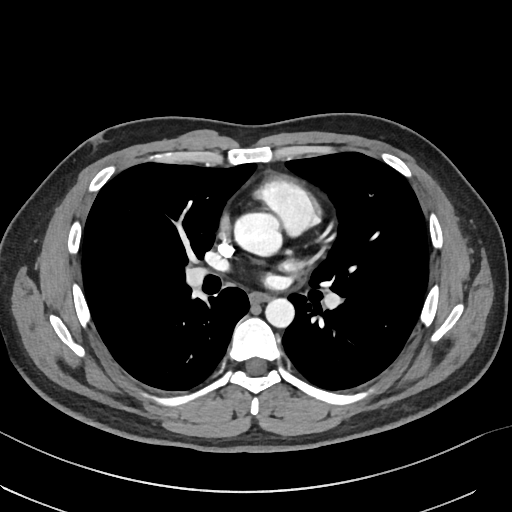 Chest-level slice from an abdominal CT that extends up into the chest — Axial slice 237/307 — 512x512 px — SOMATOM Force scanner
At this level of the chest no structure but the esophagus and the aorta has a label in this dataset, and those two are boxed only where they are labeled.
Boxes are (x1, y1, x2, y2) in pixels.
esophagus: (249, 292, 269, 302)
aorta: (235, 211, 282, 256)
aorta: (265, 298, 294, 327)